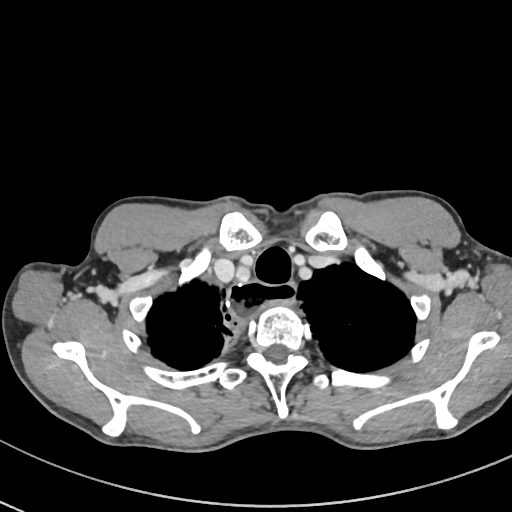

Chest-level CT slice, above the liver and spleen. Axial slice 289/306. soft-tissue window (W 400 / L 40). 512x512 px
At this level of the chest this dataset labels only the esophagus and the aorta, and each is boxed only where it is labeled; the heart and lungs are never labeled.
{"organs":{"esophagus":[228,281,297,319]}}